Abdominal CT — axial view — W/L 400/40 HU — 45-year-old male patient
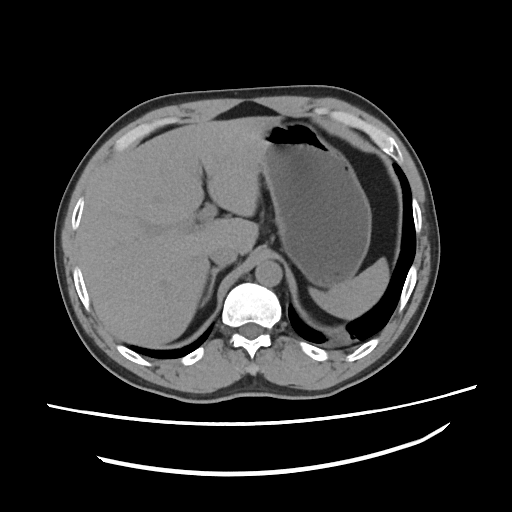

<organs><organ name="spleen" x1="310" y1="257" x2="390" y2="320"/><organ name="liver" x1="79" y1="115" x2="282" y2="346"/><organ name="stomach" x1="262" y1="119" x2="371" y2="287"/><organ name="aorta" x1="255" y1="259" x2="282" y2="285"/><organ name="inferior vena cava" x1="210" y1="249" x2="236" y2="266"/><organ name="right adrenal gland" x1="201" y1="267" x2="223" y2="304"/></organs>